Computed tomography, abdomen — axial view — 15 organs annotated in this scan (counted over the whole 3D scan, not this slice; an organ is boxed only where this slice passes through it)
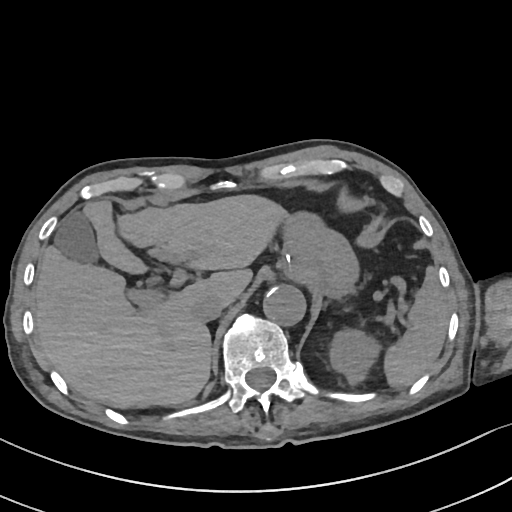

One row per box, in pixels: columns x1 and y1 give the top-left corner, x2 and y2 the bottom-right.
| organ | x1 | y1 | x2 | y2 |
|---|---|---|---|---|
| spleen | 384 | 269 | 449 | 388 |
| left kidney | 331 | 331 | 378 | 384 |
| gall bladder | 55 | 211 | 97 | 261 |
| liver | 33 | 196 | 286 | 408 |
| stomach | 282 | 213 | 358 | 295 |
| aorta | 263 | 285 | 306 | 326 |
| inferior vena cava | 192 | 295 | 226 | 322 |